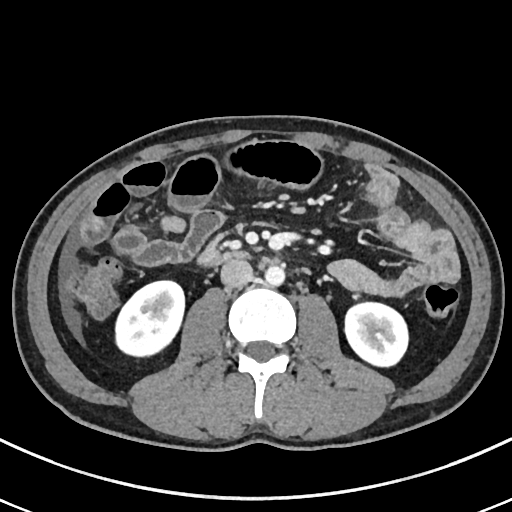

Abdominal CT — axial view — 512x512 px — acquired on SOMATOM Force
Box edges are left/top/right/bottom in pixels. 5 labeled organs on this slice — right kidney at left=114, top=280, right=185, bottom=356; inferior vena cava at left=220, top=259, right=252, bottom=287; left kidney at left=343, top=302, right=409, bottom=367; duodenum at left=211, top=250, right=251, bottom=265; aorta at left=265, top=266, right=285, bottom=286.